Lower-chest slice from an abdominal CT, just above the liver and spleen; axial view
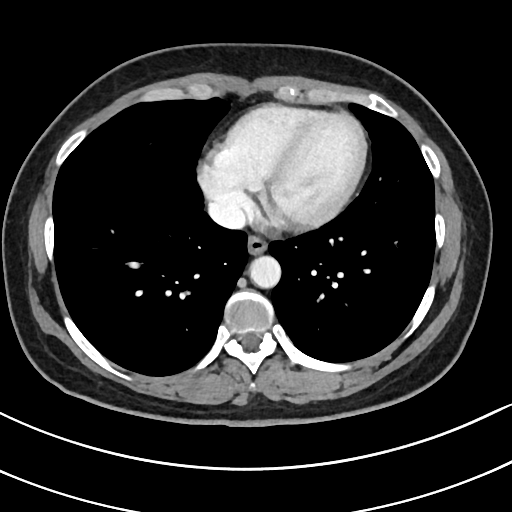
The heart and lungs are never labeled in this dataset, so they have no box on this slice.
Boxes: x1 y1 x2 y2 (pixel coords, space-separated).
esophagus: 246 237 267 255
aorta: 249 256 281 289
inferior vena cava: 208 201 246 229